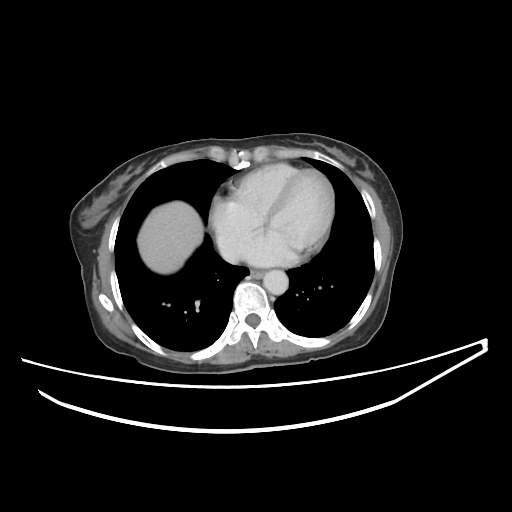
CT, abdomen/pelvis · axial view · soft-tissue window (W 400 / L 40) · 62-year-old female patient
Box edges are left/top/right/bottom in pixels.
aorta: left=263, top=270, right=288, bottom=294
esophagus: left=249, top=270, right=264, bottom=278
liver: left=137, top=201, right=203, bottom=273
inferior vena cava: left=219, top=242, right=239, bottom=263